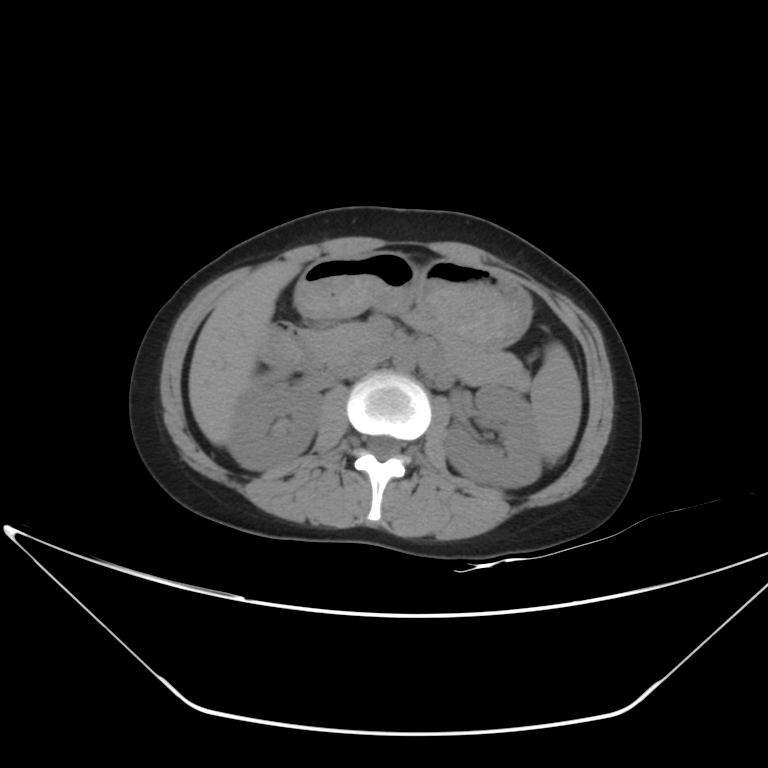

CT, abdomen/pelvis; axial view; 768x768 px; scan has 15 labeled organs (that count is for the whole scan; organs this slice misses have no box)
{"organs":{"spleen":[531,342,581,463],"right kidney":[227,371,321,469],"left kidney":[444,386,541,488],"liver":[188,261,301,445],"stomach":[295,252,532,350],"aorta":[392,351,416,372],"inferior vena cava":[328,354,381,379],"pancreas":[308,309,529,391],"duodenum":[260,322,448,372]}}